Chest-level slice from an abdominal CT that extends up into the chest · Axial slice 224/279 · soft-tissue window (W 400 / L 40) · 512x512 px · 15 organs annotated in this scan (a whole-scan count: organs this slice does not pass through have no box)
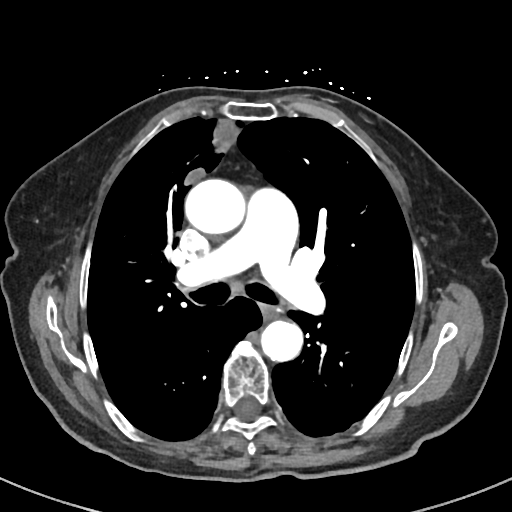 On a slice this high in the chest, this dataset labels only the esophagus and the aorta, and each is boxed only where it is labeled; the heart, lungs and other chest structures are not labeled.
One row per box, in pixels: columns x1 and y1 give the top-left corner, x2 and y2 the bottom-right.
| organ | x1 | y1 | x2 | y2 |
|---|---|---|---|---|
| esophagus | 262 | 305 | 275 | 316 |
| aorta | 184 | 178 | 243 | 234 |
| aorta | 259 | 320 | 302 | 362 |